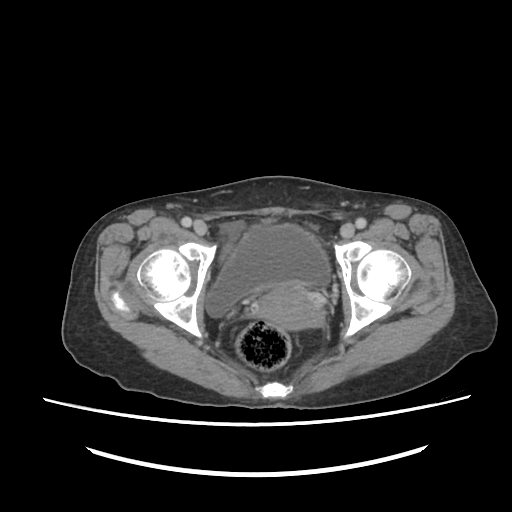
Computed tomography, abdomen; axial view; soft-tissue window; 512x512 px; 60-year-old female patient
Coordinates as <box>x1,y1,x2,y2</box> in pixels. The annotated organs in this slice are: prostate/uterus at <box>256,285,322,328</box>, bladder at <box>204,227,332,318</box>.